CT abdomen; Axial slice 58/124; 512x512 px
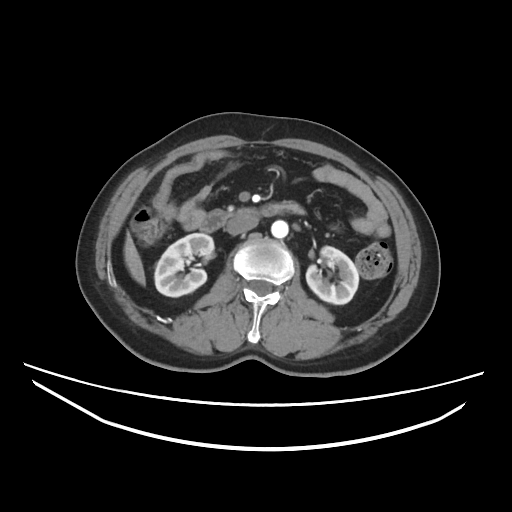
One row per box, in pixels: columns x1 and y1 give the top-left corner, x2 and y2 the bottom-right.
| organ | x1 | y1 | x2 | y2 |
|---|---|---|---|---|
| left kidney | 306 | 246 | 358 | 304 |
| liver | 124 | 233 | 145 | 285 |
| inferior vena cava | 226 | 217 | 258 | 234 |
| duodenum | 200 | 201 | 304 | 232 |
| right kidney | 154 | 233 | 214 | 297 |
| aorta | 271 | 220 | 288 | 238 |